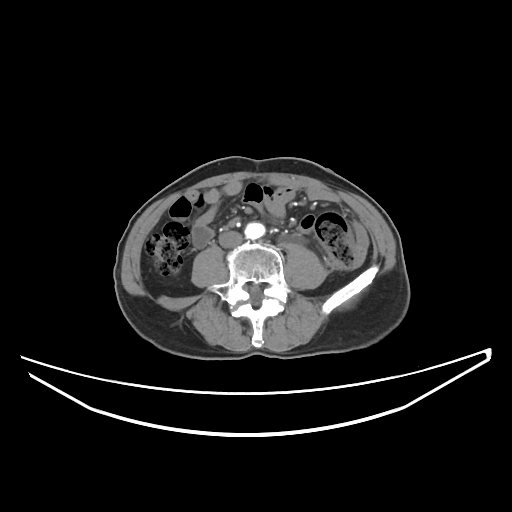 Abdominal CT — Axial slice 42/120 — 62-year-old male patient — scan has 15 labeled organs (that count is for the whole scan; organs this slice misses have no box)
Boxes: x1:y1:x2:y2 in pixels.
Organ bounding boxes:
- inferior vena cava: 218:231:242:247
- aorta: 244:222:264:239